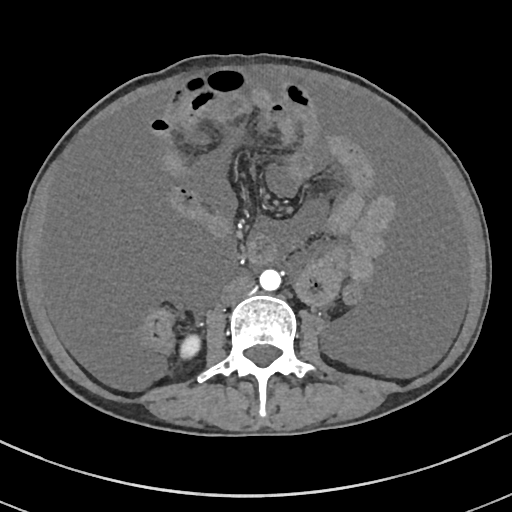
Computed tomography, abdomen. axial view. 512x512 px. acquired on SOMATOM Force
Organ boxes in pixel coordinates; each row gives the top-left (x1, y1) and bottom-right (x2, y2) corners.
| organ | x1 | y1 | x2 | y2 |
|---|---|---|---|---|
| right kidney | 180 | 333 | 201 | 359 |
| aorta | 259 | 269 | 281 | 291 |
| inferior vena cava | 222 | 277 | 253 | 304 |